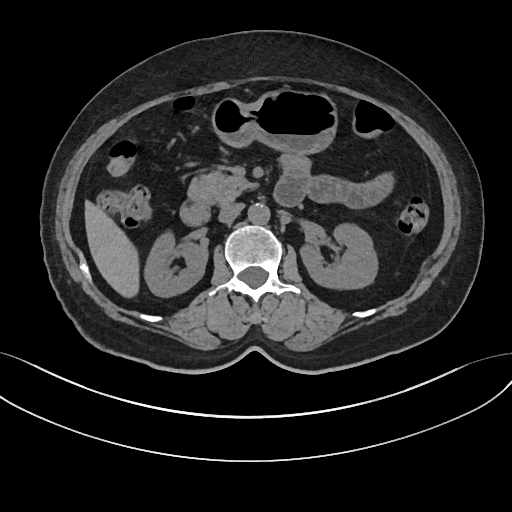

Computed tomography, abdomen · Axial slice 132/207 · scan has 15 labeled organs (counted over the whole 3D scan, not this slice; an organ is boxed only where this slice passes through it)
Each box given as x1,y1,x2,y2. The annotated organs in this slice are: aorta at x1=247, y1=202, x2=269, y2=223, pancreas at x1=188, y1=171, x2=253, y2=203, left kidney at x1=301, y1=223, x2=378, y2=288, liver at x1=85, y1=201, x2=137, y2=296, inferior vena cava at x1=219, y1=203, x2=243, y2=223, stomach at x1=212, y1=89, x2=336, y2=153, right kidney at x1=144, y1=234, x2=207, y2=296, duodenum at x1=180, y1=174, x2=303, y2=225.